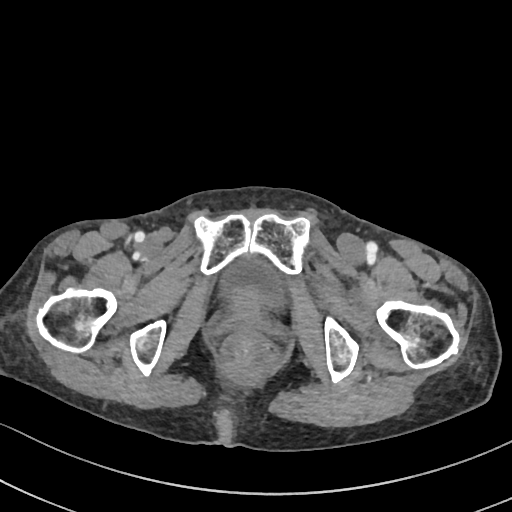
CT abdomen · axial view · soft-tissue window (W 400 / L 40) · acquired on SOMATOM Force · scan has 15 labeled organs (counted over the whole 3D scan, not this slice; an organ is boxed only where this slice passes through it)
{"organs":{"bladder":[224,257,282,306]}}